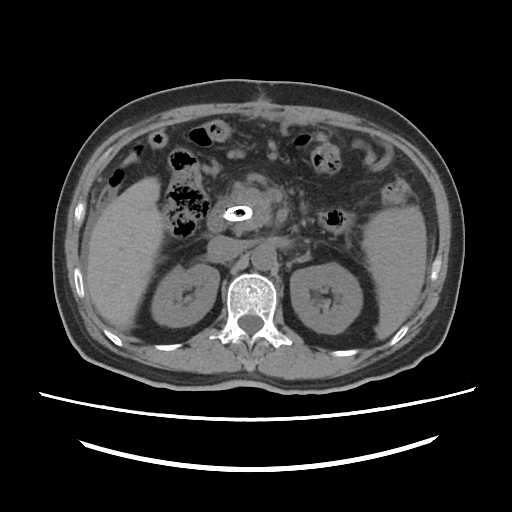
CT, abdomen/pelvis; axial view; soft-tissue window; 512x512 px; scan has 14 labeled organs (a whole-scan count: organs this slice does not pass through have no box)
{"organs":{"liver":[86,177,380,339],"right kidney":[151,264,219,326],"aorta":[251,245,276,270],"pancreas":[228,183,271,233],"spleen":[362,207,426,339],"inferior vena cava":[207,235,243,262],"left kidney":[290,263,362,334],"duodenum":[207,201,229,232]}}